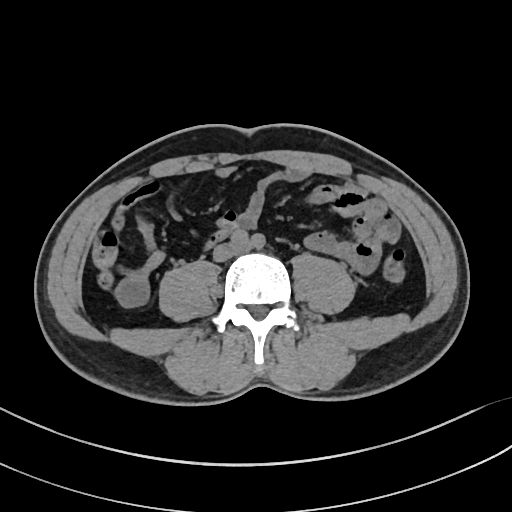

CT abdomen; axial view; 512x512 px
{"organs":{"inferior vena cava":[214,243,243,260]}}